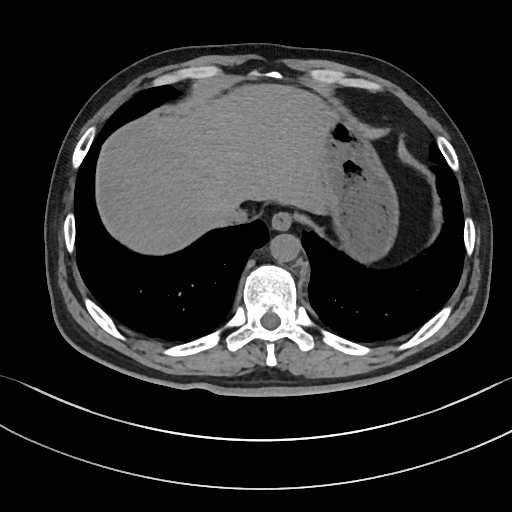
CT abdomen · axial view · soft-tissue window (W 400 / L 40) · 512x512 px
Boxes: x1:y1:x2:y2 in pixels.
Organ bounding boxes:
- esophagus: 271:212:292:230
- liver: 96:84:328:254
- stomach: 322:110:399:262
- aorta: 269:234:300:263
- inferior vena cava: 216:201:246:223